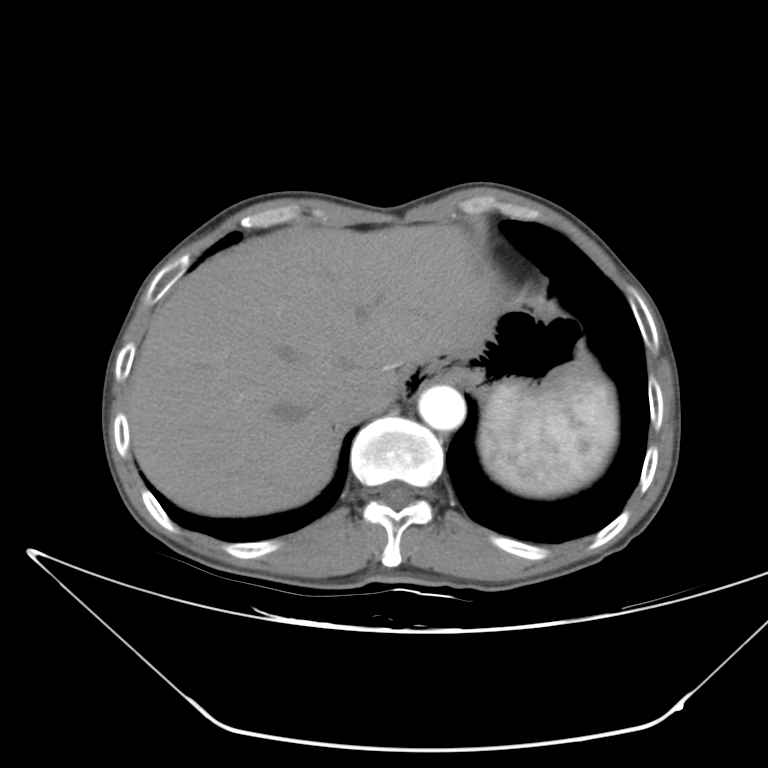
CT, abdomen/pelvis · axial view · 768x768 px
Boxes: x1 y1 x2 y2 (pixel coords, space-separated).
spleen: 479 380 617 497
liver: 127 225 500 516
stomach: 400 309 592 398
aorta: 418 386 465 430
inferior vena cava: 324 384 367 420